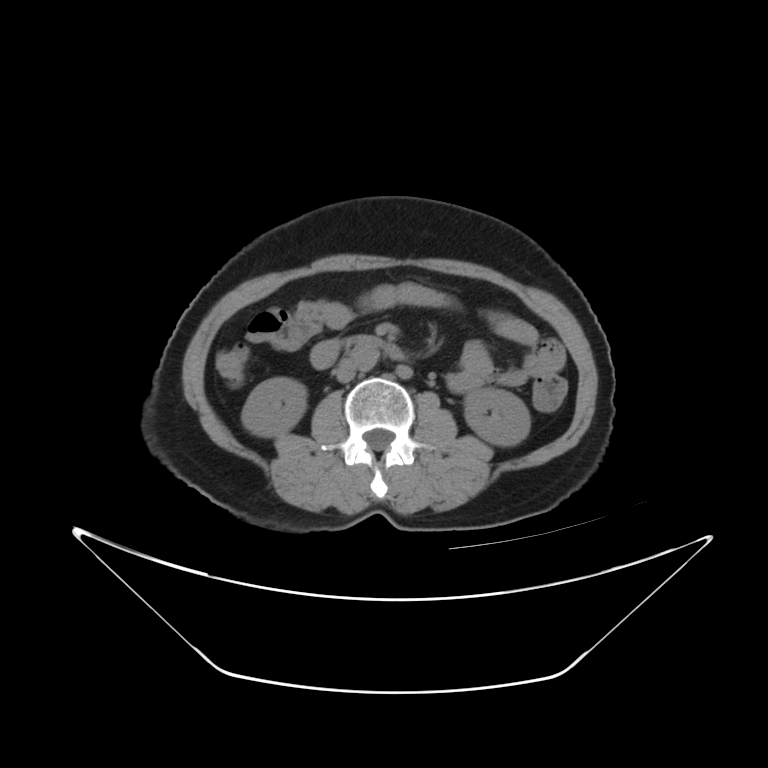

Abdominal CT; Axial slice 52/91
<organs><organ name="right kidney" x1="244" y1="377" x2="306" y2="436"/><organ name="left kidney" x1="461" y1="389" x2="530" y2="446"/><organ name="aorta" x1="349" y1="344" x2="379" y2="374"/><organ name="inferior vena cava" x1="336" y1="360" x2="354" y2="381"/><organ name="duodenum" x1="344" y1="336" x2="405" y2="361"/></organs>